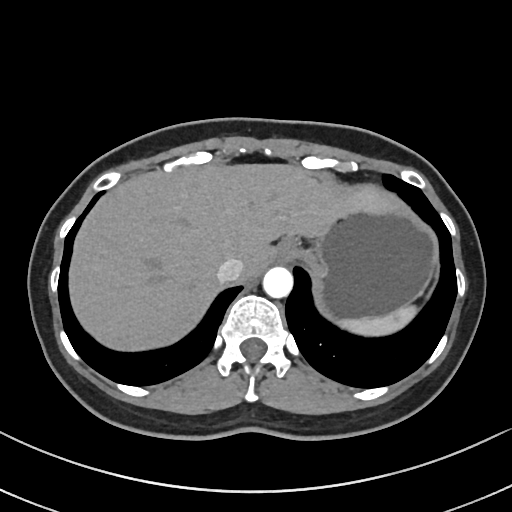 CT abdomen. axial view. soft-tissue window (W 400 / L 40)
Boxes are (x1, y1, x2, y2) in pixels.
Organ bounding boxes:
- spleen: (337, 305, 417, 336)
- esophagus: (275, 241, 295, 263)
- liver: (69, 164, 393, 350)
- stomach: (284, 204, 435, 318)
- aorta: (263, 266, 292, 297)
- inferior vena cava: (217, 257, 244, 282)